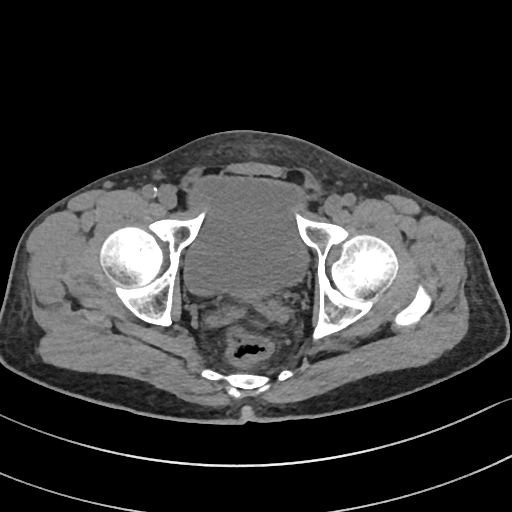 CT, abdomen/pelvis. axial view
{"organs":{"bladder":[184,177,307,294]}}